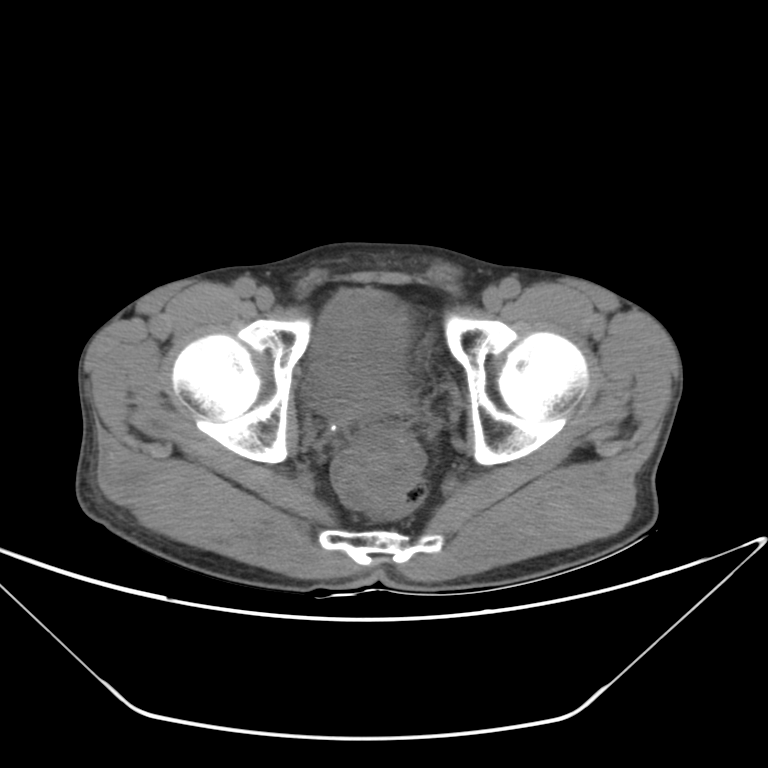
CT, abdomen/pelvis · axial plane, index 20 · 768x768 px · 53-year-old male patient
One row per box, in pixels: columns x1 and y1 give the top-left corner, x2 and y2 the bottom-right.
| organ | x1 | y1 | x2 | y2 |
|---|---|---|---|---|
| bladder | 312 | 304 | 407 | 399 |